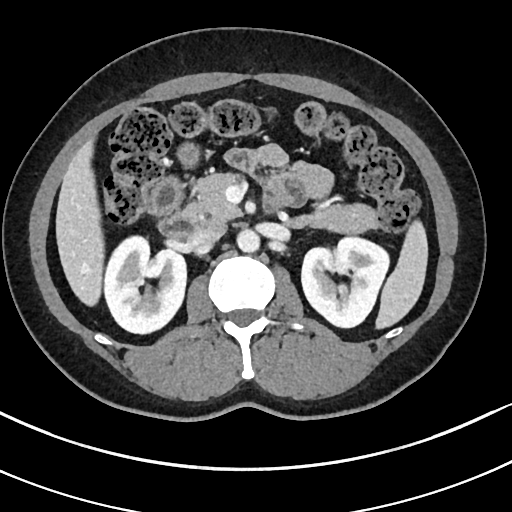 CT, abdomen/pelvis · axial plane, index 138 · 512x512 px
One row per box, in pixels: columns x1 and y1 give the top-left corner, x2 and y2 the bottom-right.
| organ | x1 | y1 | x2 | y2 |
|---|---|---|---|---|
| spleen | 375 | 219 | 428 | 327 |
| right kidney | 105 | 237 | 186 | 334 |
| left kidney | 301 | 237 | 388 | 328 |
| liver | 55 | 136 | 104 | 307 |
| stomach | 175 | 142 | 198 | 169 |
| aorta | 237 | 230 | 260 | 253 |
| inferior vena cava | 191 | 223 | 226 | 246 |
| pancreas | 186 | 172 | 382 | 236 |
| duodenum | 148 | 175 | 201 | 239 |